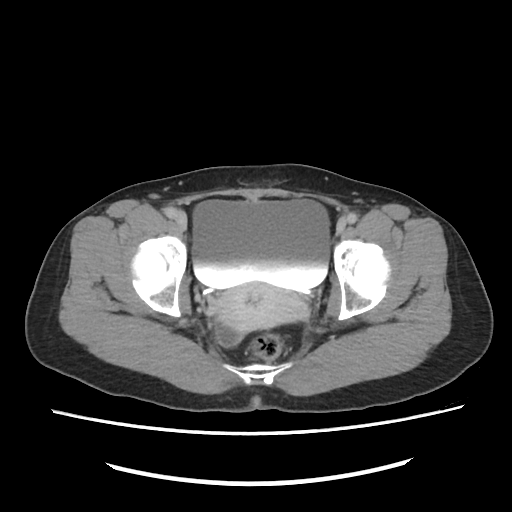

CT abdomen. axial view. abdomen soft-tissue window. 15 organs annotated in this scan (that count is for the whole scan; organs this slice misses have no box)
Boxes are (x1, y1, x2, y2) in pixels. Labeled organs on this slice: bladder at (191, 200, 329, 289), prostate/uterus at (210, 285, 310, 343).